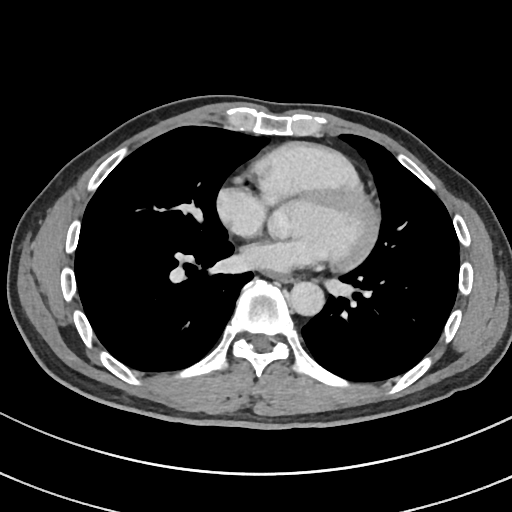 CT of the abdomen extending into the chest, slice through the chest; Axial slice 203/298; 512x512 px; acquired on SOMATOM Force
At this level of the chest this dataset labels only the esophagus and the aorta, and each is boxed only where it is labeled; the heart and lungs are never labeled.
{"organs":{"esophagus":[268,272,292,282],"aorta":[289,281,324,315]}}